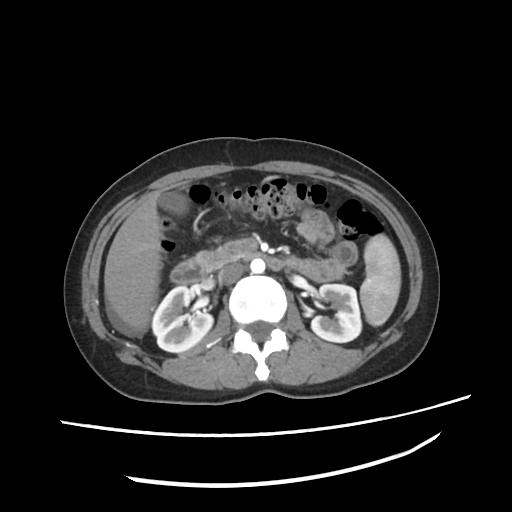
Abdominal CT; axial view; 512x512 px; 47-year-old female patient
Bounding boxes in pixels, one row per box: x1, y1 is the top-left corner and x2, y2 the bottom-right.
| organ | x1 | y1 | x2 | y2 |
|---|---|---|---|---|
| spleen | 360 | 234 | 401 | 325 |
| right kidney | 151 | 286 | 213 | 352 |
| left kidney | 312 | 284 | 361 | 341 |
| gall bladder | 156 | 192 | 188 | 214 |
| liver | 103 | 192 | 164 | 331 |
| aorta | 250 | 259 | 264 | 272 |
| inferior vena cava | 218 | 261 | 246 | 283 |
| pancreas | 196 | 240 | 248 | 272 |
| duodenum | 169 | 251 | 284 | 285 |